Computed tomography, abdomen · axial view · W/L 400/40 HU
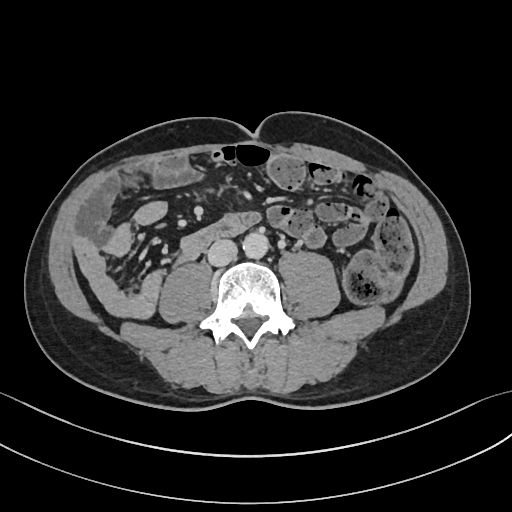
Bounding boxes as [x1, y1, x2, y2] in pixel coordinates.
inferior vena cava: [208, 239, 237, 266]
aorta: [242, 231, 268, 258]